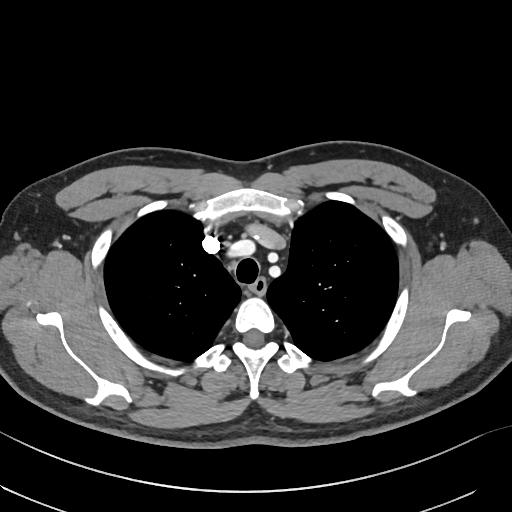 CT of the abdomen extending into the chest, slice through the chest; axial view; soft-tissue window (W 400 / L 40)
At this level of the chest this dataset labels only the esophagus and the aorta, and each is boxed only where it is labeled; the heart and lungs are never labeled.
Bounding boxes in pixels, one row per box: x1, y1 is the top-left corner and x2, y2 the bottom-right.
| organ | x1 | y1 | x2 | y2 |
|---|---|---|---|---|
| esophagus | 249 | 277 | 266 | 294 |